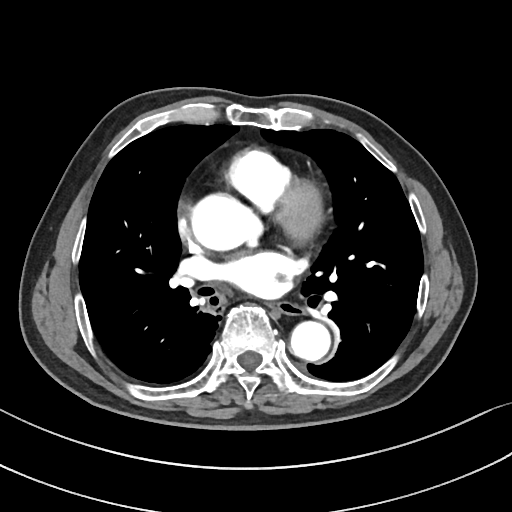
Abdominal CT reaching into the chest; this slice is in the chest — axial view — W/L 400/40 HU — scan has 15 labeled organs (counted over the whole 3D scan, not this slice; an organ is boxed only where this slice passes through it)
At this level of the chest no structure but the esophagus and the aorta has a label in this dataset, and those two are boxed only where they are labeled.
Each box given as x1,y1,x2,y2.
esophagus: x1=269, y1=302, x2=303, y2=317
aorta: x1=190, y1=193, x2=255, y2=250
aorta: x1=290, y1=321, x2=330, y2=361